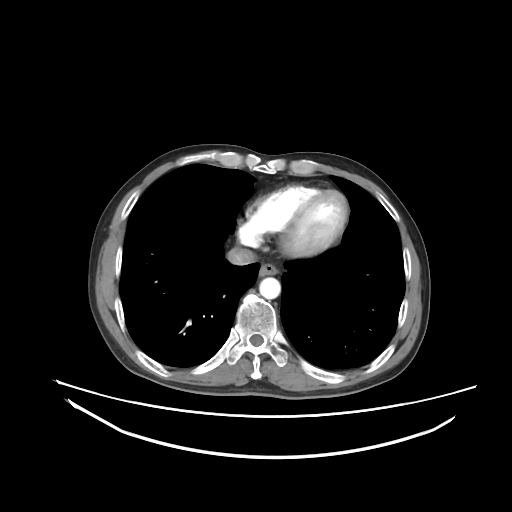
Abdominal CT; this slice is in the lower chest, just above the liver — axial view — 512x512 px — 52-year-old male patient
No part of the heart or lungs is labeled in this dataset, so neither has a box here.
{"organs":{"inferior vena cava":[226,247,256,265],"aorta":[259,277,280,299],"esophagus":[259,263,278,276]}}